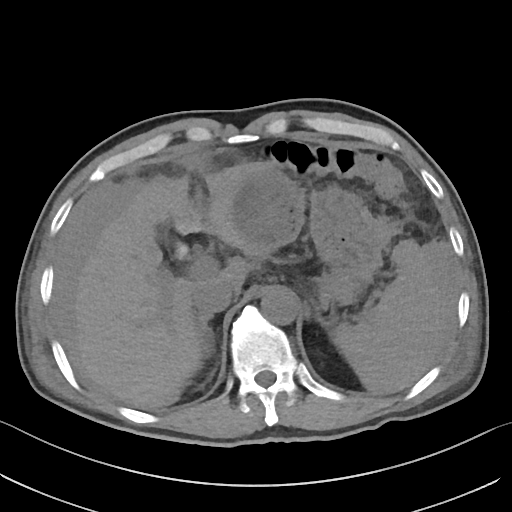 Abdominal CT. axial view. SOMATOM Force scanner. 15 organs annotated in this scan (a whole-scan count: organs this slice does not pass through have no box)
Bounding boxes as [x1, y1, x2, y2] in pixel coordinates.
liver: [72, 162, 304, 407]
gall bladder: [175, 244, 188, 259]
left adrenal gland: [318, 318, 330, 327]
stomach: [297, 186, 392, 304]
right adrenal gland: [199, 315, 215, 354]
aorta: [261, 291, 298, 324]
inferior vena cava: [192, 280, 233, 315]
spleen: [332, 239, 443, 394]